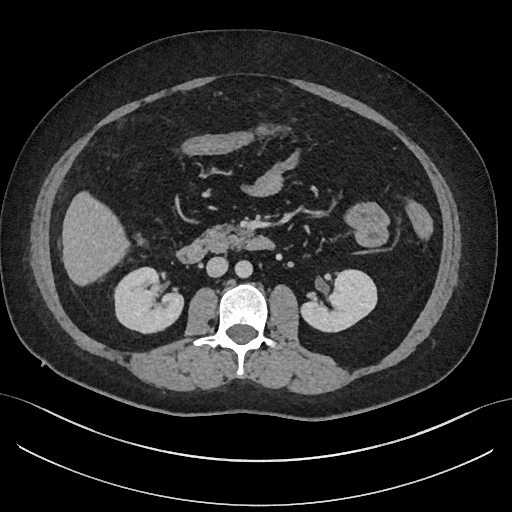
CT, abdomen/pelvis; axial plane, index 137; 512x512 px; SOMATOM Force scanner
<organs><organ name="right kidney" x1="115" y1="268" x2="183" y2="334"/><organ name="left kidney" x1="300" y1="270" x2="377" y2="332"/><organ name="liver" x1="62" y1="190" x2="127" y2="288"/><organ name="aorta" x1="235" y1="261" x2="252" y2="278"/><organ name="inferior vena cava" x1="206" y1="257" x2="227" y2="277"/><organ name="pancreas" x1="195" y1="225" x2="246" y2="252"/><organ name="duodenum" x1="176" y1="237" x2="276" y2="263"/></organs>